CT, abdomen/pelvis — axial view — 512x512 px
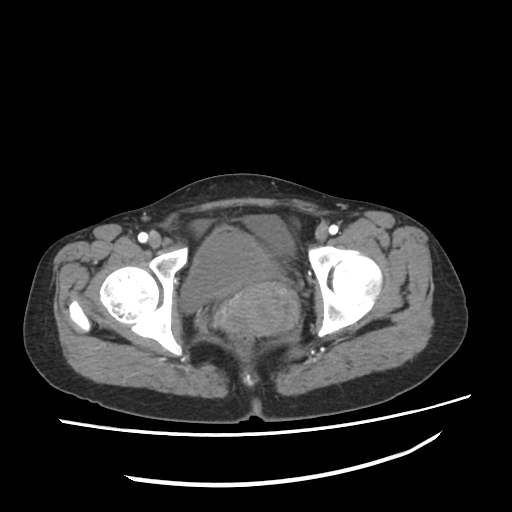 <organs><organ name="bladder" x1="181" y1="226" x2="287" y2="311"/><organ name="prostate/uterus" x1="218" y1="283" x2="299" y2="336"/></organs>